Computed tomography, abdomen; axial view; 768x768 px; scan has 15 labeled organs (counted over the whole 3D scan, not this slice; an organ is boxed only where this slice passes through it)
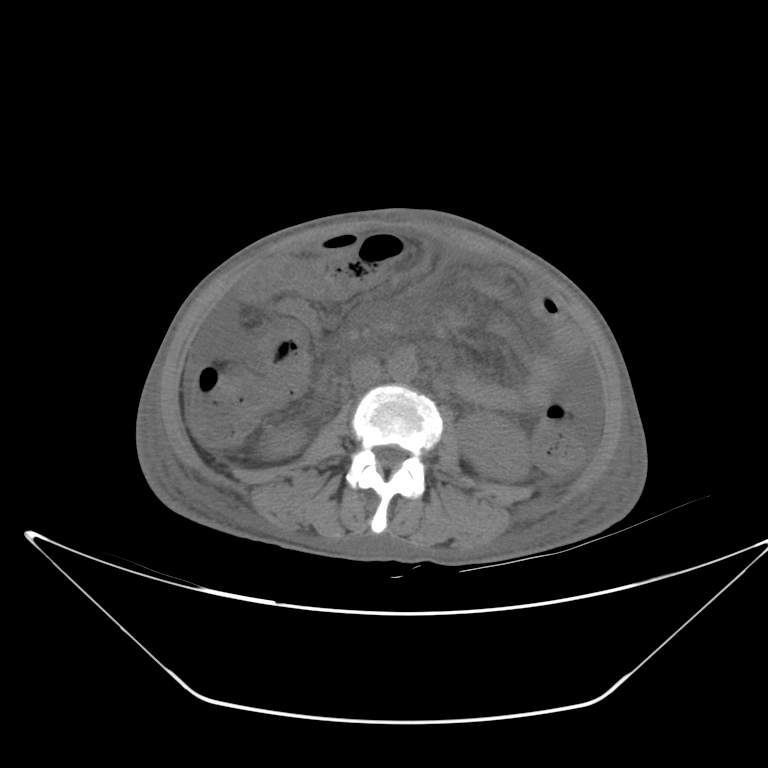
<organs><organ name="left kidney" x1="456" y1="412" x2="529" y2="481"/><organ name="aorta" x1="388" y1="351" x2="417" y2="381"/><organ name="inferior vena cava" x1="351" y1="359" x2="381" y2="388"/><organ name="right kidney" x1="259" y1="427" x2="304" y2="459"/></organs>